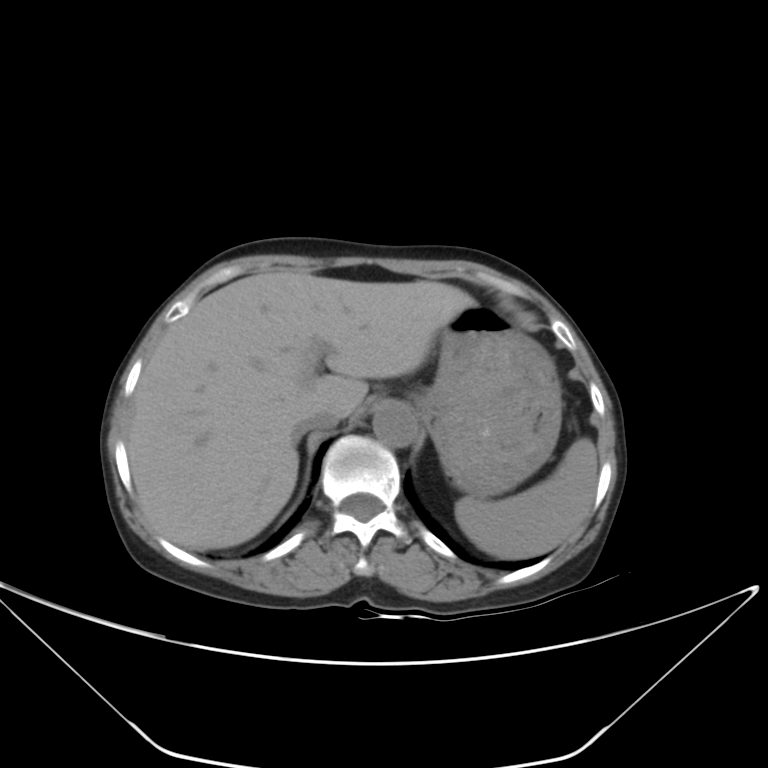 Abdominal CT; axial plane, index 68; soft-tissue window (W 400 / L 40)
Box edges are left/top/right/bottom in pixels. The annotated organs in this slice are: inferior vena cava at left=291, top=410, right=339, bottom=447, liver at left=127, top=271, right=474, bottom=550, spleen at left=455, top=437, right=598, bottom=559, stomach at left=415, top=302, right=562, bottom=497, aorta at left=373, top=404, right=417, bottom=448.